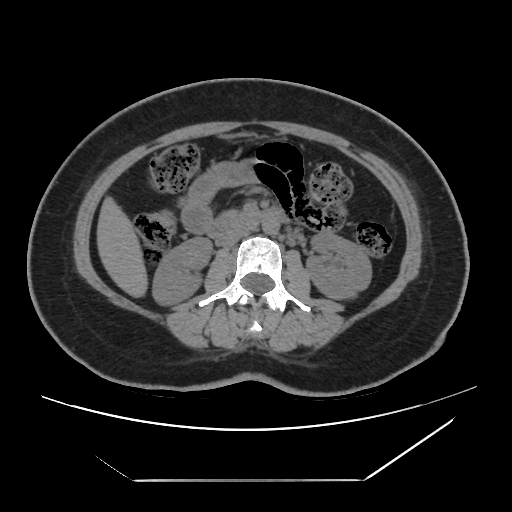
CT, abdomen/pelvis; axial view; soft-tissue window (W 400 / L 40)
<organs><organ name="right kidney" x1="152" y1="237" x2="212" y2="305"/><organ name="left kidney" x1="306" y1="232" x2="371" y2="300"/><organ name="liver" x1="96" y1="195" x2="148" y2="298"/><organ name="aorta" x1="262" y1="218" x2="279" y2="234"/><organ name="inferior vena cava" x1="217" y1="227" x2="254" y2="247"/><organ name="pancreas" x1="220" y1="210" x2="244" y2="218"/><organ name="duodenum" x1="206" y1="208" x2="287" y2="241"/></organs>